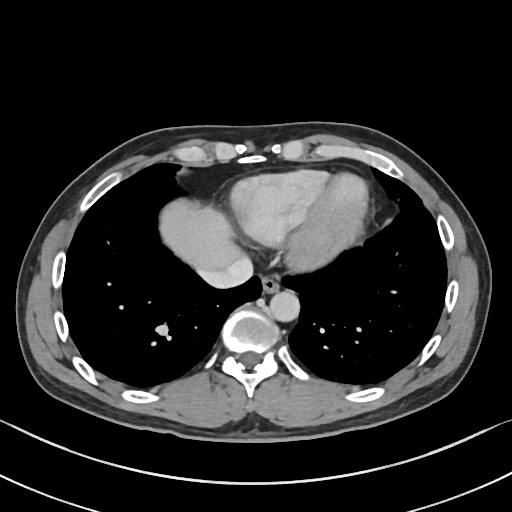
Abdominal CT; axial view
{"organs":{"esophagus":[261,274,279,293],"liver":[160,200,245,269],"aorta":[270,291,299,321],"inferior vena cava":[197,257,253,288]}}